Abdominal CT · Axial slice 173/230 · 14 organs annotated in this scan (a whole-scan count: organs this slice does not pass through have no box)
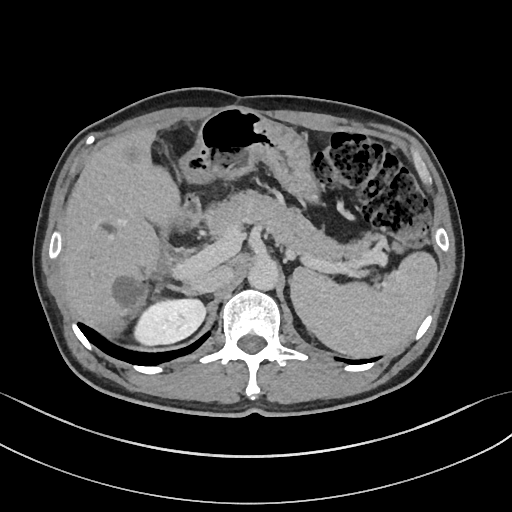

Bounding boxes as [x1, y1, x2, y2] in pixel coordinates.
pancreas: [205, 191, 367, 259]
stomach: [179, 108, 319, 204]
aorta: [248, 259, 279, 291]
duodenum: [150, 194, 200, 282]
right kidney: [133, 300, 204, 344]
spleen: [290, 252, 437, 356]
right adrenal gland: [167, 284, 197, 296]
inferior vena cava: [188, 267, 232, 293]
liver: [59, 128, 181, 331]